CT abdomen. axial view. acquired on SOMATOM Force
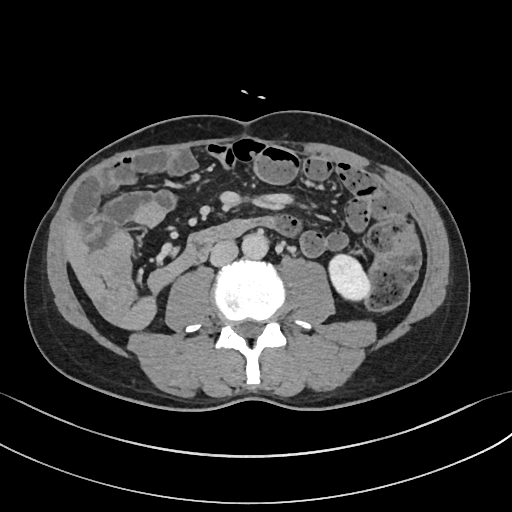 Boxes are (x1, y1, x2, y2) in pixels.
Organ bounding boxes:
- inferior vena cava: (211, 241, 238, 267)
- left kidney: (327, 252, 372, 300)
- aorta: (241, 232, 268, 259)